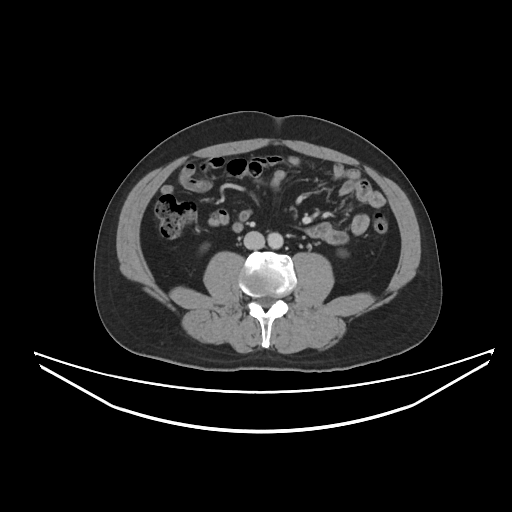 Computed tomography, abdomen · axial plane, index 47 · W/L 400/40 HU · 512x512 px · 40-year-old male patient · acquired on Aquilion ONE
<organs><organ name="right kidney" x1="202" y1="245" x2="206" y2="248"/><organ name="aorta" x1="267" y1="232" x2="283" y2="248"/><organ name="inferior vena cava" x1="244" y1="231" x2="264" y2="249"/></organs>